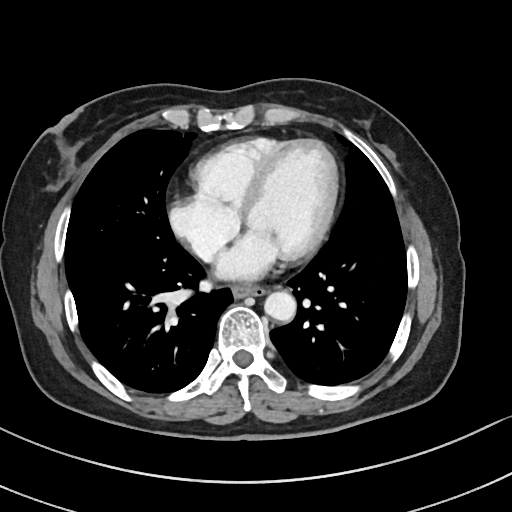
CT of the abdomen reaching into the lower chest, slice just above the liver and spleen — axial view — soft-tissue window, W/L 400/40
No part of the heart or lungs is labeled in this dataset, so neither has a box here.
<organs><organ name="esophagus" x1="232" y1="285" x2="267" y2="296"/><organ name="aorta" x1="264" y1="290" x2="296" y2="321"/></organs>